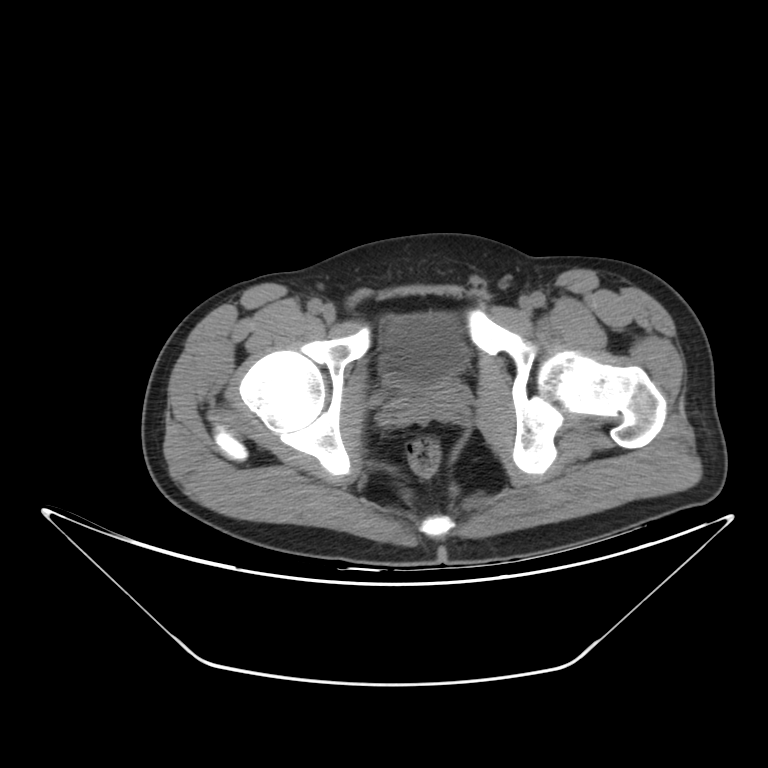

Abdominal CT · Axial slice 14/96 · 768x768 px · acquired on Brilliance16
Boxes are (x1, y1, x2, y2) in pixels.
prostate/uterus: (400, 381, 463, 419)
bladder: (378, 313, 467, 389)